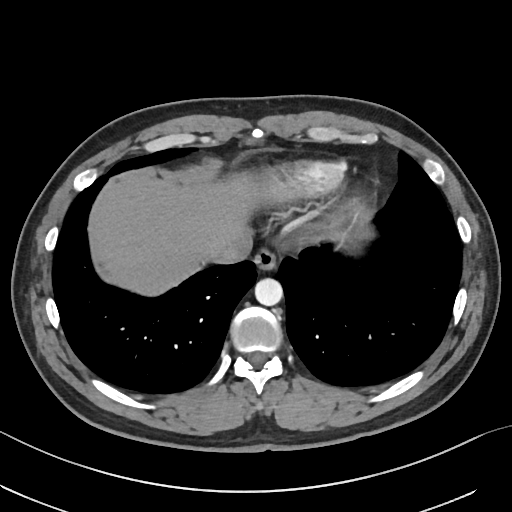
CT abdomen — Axial slice 198/307 — abdomen soft-tissue window
<organs><organ name="esophagus" x1="254" y1="250" x2="276" y2="271"/><organ name="liver" x1="94" y1="174" x2="257" y2="293"/><organ name="aorta" x1="255" y1="278" x2="283" y2="306"/><organ name="inferior vena cava" x1="207" y1="235" x2="252" y2="264"/></organs>